CT abdomen. axial view. 56-year-old male patient. scan has 14 labeled organs (a whole-scan count: organs this slice does not pass through have no box)
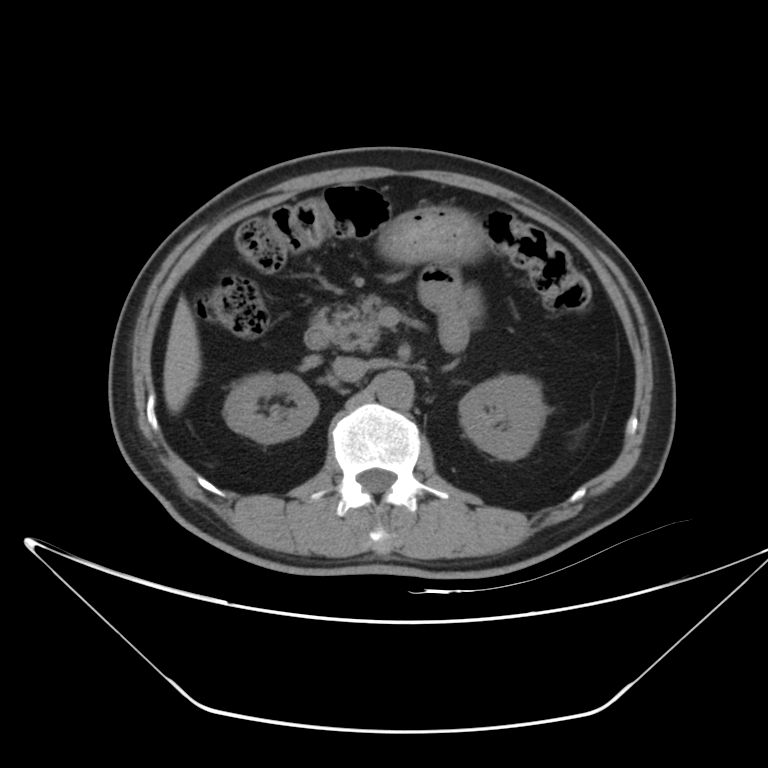
One row per box, in pixels: columns x1 and y1 give the top-left corner, x2 and y2 the bottom-right.
| organ | x1 | y1 | x2 | y2 |
|---|---|---|---|---|
| right kidney | 224 | 373 | 318 | 443 |
| left kidney | 459 | 375 | 545 | 460 |
| liver | 163 | 298 | 200 | 413 |
| stomach | 378 | 205 | 484 | 263 |
| aorta | 375 | 370 | 413 | 409 |
| inferior vena cava | 333 | 357 | 367 | 382 |
| pancreas | 313 | 296 | 384 | 350 |
| left adrenal gland | 447 | 360 | 455 | 369 |
| duodenum | 303 | 323 | 331 | 349 |